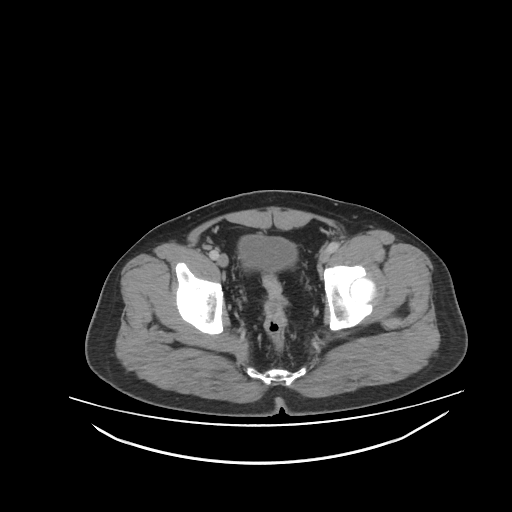

Computed tomography, abdomen — axial plane, index 24 — W/L 400/40 HU — Aquilion ONE scanner — scan has 15 labeled organs (a whole-scan count: organs this slice does not pass through have no box)
{"organs":{"bladder":[239,236,297,271]}}